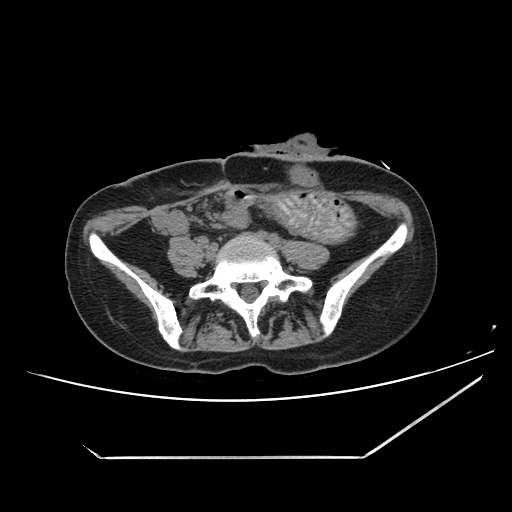 Abdominal CT · axial view · soft-tissue window (W 400 / L 40) · 512x512 px
<organs><organ name="stomach" x1="270" y1="192" x2="355" y2="240"/></organs>